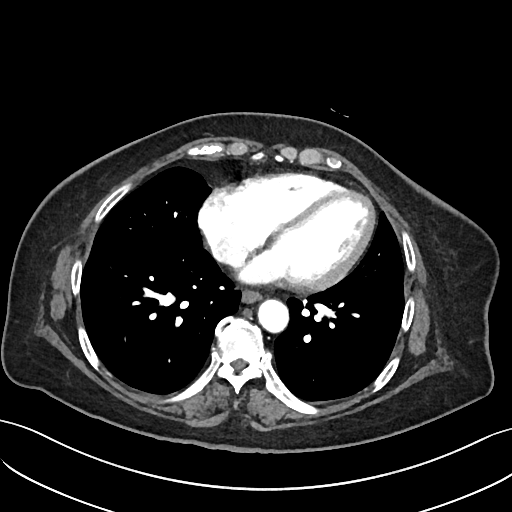 Abdominal CT; this slice is in the lower chest, just above the liver — Axial slice 193/276 — 512x512 px
Of the structures in the chest, this dataset labels only the esophagus, the aorta and the inferior vena cava; the heart and lungs have no label.
Boxes: x1 y1 x2 y2 (pixel coords, space-separated).
esophagus: 242 289 261 302
aorta: 258 298 288 331
inferior vena cava: 214 243 245 266